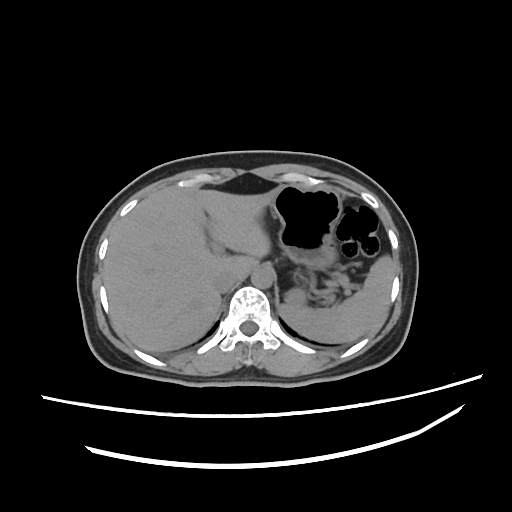 Abdominal CT · axial view · 512x512 px
<organs><organ name="spleen" x1="276" y1="255" x2="394" y2="343"/><organ name="stomach" x1="272" y1="184" x2="340" y2="306"/><organ name="inferior vena cava" x1="214" y1="271" x2="244" y2="295"/><organ name="liver" x1="103" y1="186" x2="273" y2="352"/><organ name="aorta" x1="251" y1="267" x2="273" y2="287"/></organs>